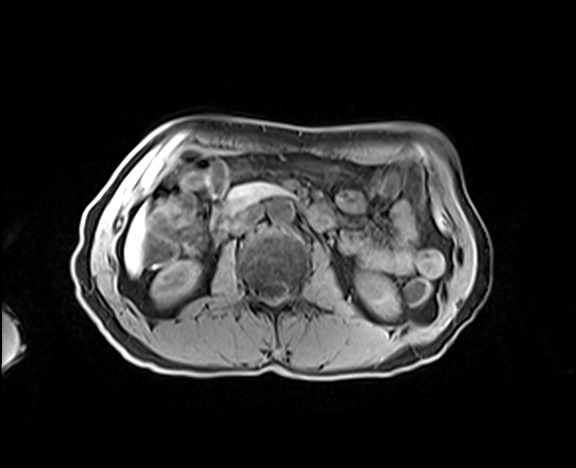

Abdominal MRI · Axial slice 16/72 · percentile-normalized · Prisma scanner
{"organs":{"right kidney":[151,261,200,305],"left kidney":[356,271,398,316],"liver":[124,208,145,275],"aorta":[268,200,294,224],"inferior vena cava":[229,206,263,234],"pancreas":[224,182,293,212],"duodenum":[211,208,334,239]}}